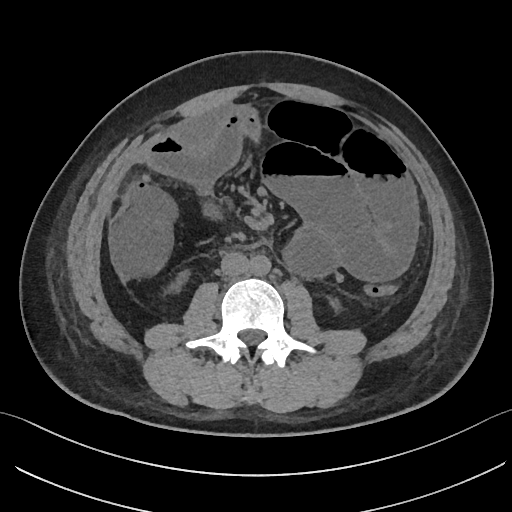

CT abdomen · axial view · 15 organs annotated in this scan (counted over the whole 3D scan, not this slice; an organ is boxed only where this slice passes through it)
<organs><organ name="right kidney" x1="169" y1="271" x2="189" y2="292"/><organ name="left kidney" x1="331" y1="300" x2="339" y2="309"/><organ name="aorta" x1="249" y1="255" x2="271" y2="276"/><organ name="inferior vena cava" x1="220" y1="252" x2="249" y2="276"/></organs>